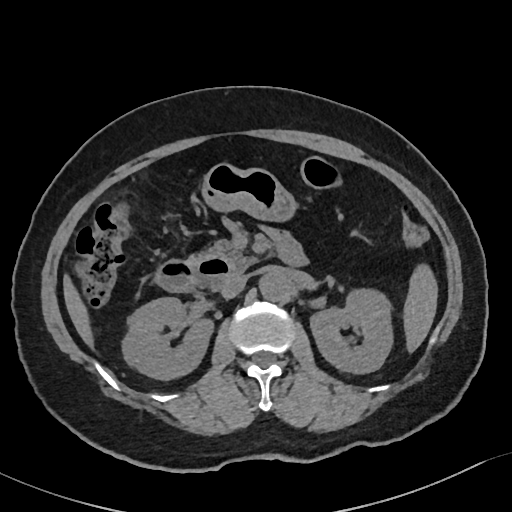

CT abdomen · axial plane, index 131 · soft-tissue window (W 400 / L 40) · 15 organs annotated in this scan (that count is for the whole scan; organs this slice misses have no box)
Bounding boxes in pixels, one row per box: x1, y1 is the top-left corner and x2, y2 the bottom-right.
| organ | x1 | y1 | x2 | y2 |
|---|---|---|---|---|
| spleen | 404 | 267 | 436 | 350 |
| right kidney | 121 | 297 | 212 | 379 |
| left kidney | 311 | 289 | 393 | 372 |
| liver | 62 | 274 | 93 | 345 |
| stomach | 203 | 164 | 294 | 219 |
| aorta | 258 | 271 | 288 | 301 |
| inferior vena cava | 221 | 273 | 247 | 298 |
| pancreas | 191 | 240 | 257 | 270 |
| duodenum | 156 | 257 | 232 | 292 |